Computed tomography, abdomen; axial view; acquired on SOMATOM Force; 15 organs annotated in this scan (that count is for the whole scan; organs this slice misses have no box)
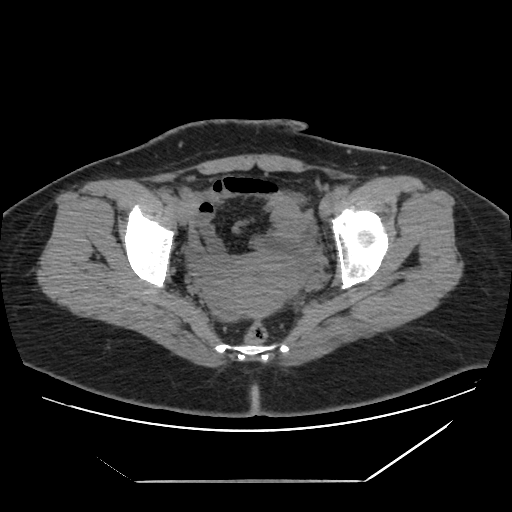
<organs><organ name="prostate/uterus" x1="210" y1="254" x2="301" y2="317"/></organs>